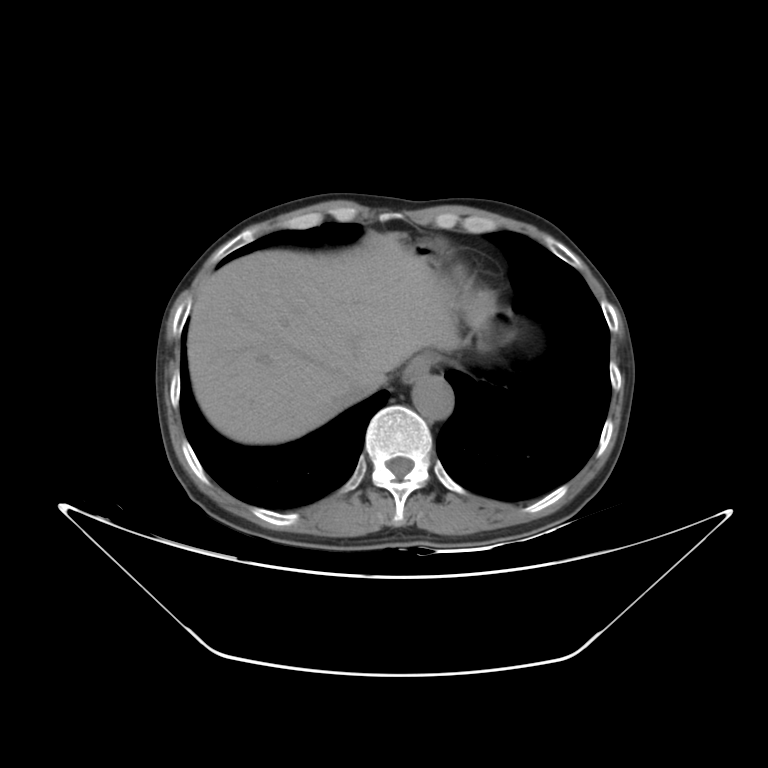 CT, abdomen/pelvis — axial view — W/L 400/40 HU — scan has 14 labeled organs (a whole-scan count: organs this slice does not pass through have no box)
<organs><organ name="aorta" x1="412" y1="374" x2="453" y2="420"/><organ name="liver" x1="187" y1="233" x2="460" y2="444"/><organ name="stomach" x1="411" y1="240" x2="495" y2="336"/><organ name="inferior vena cava" x1="342" y1="385" x2="371" y2="402"/><organ name="esophagus" x1="401" y1="354" x2="435" y2="385"/></organs>